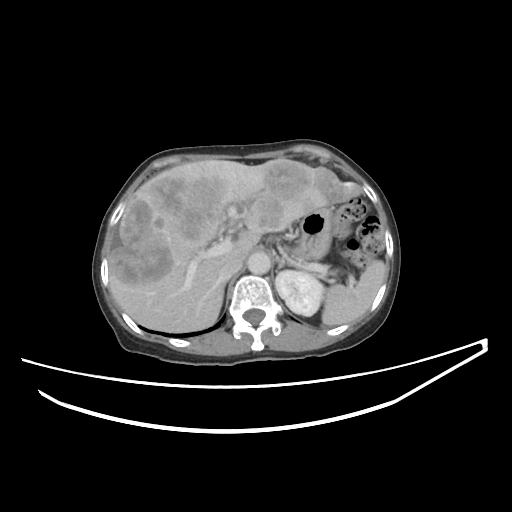 Abdominal CT; axial view; 512x512 px; 62-year-old female patient; acquired on Aquilion ONE
Each box given as x1,y1,x2,y2. Labeled organs on this slice: left adrenal gland at x1=277, y1=258, x2=285, y2=270, inferior vena cava at x1=218, y1=259, x2=242, y2=281, stomach at x1=292, y1=203, x2=333, y2=259, spleen at x1=322, y1=260, x2=384, y2=325, aorta at x1=247, y1=252, x2=270, y2=274, right adrenal gland at x1=221, y1=282, x2=226, y2=294, liver at x1=108, y1=158, x2=357, y2=332, left kidney at x1=275, y1=270, x2=323, y2=316.